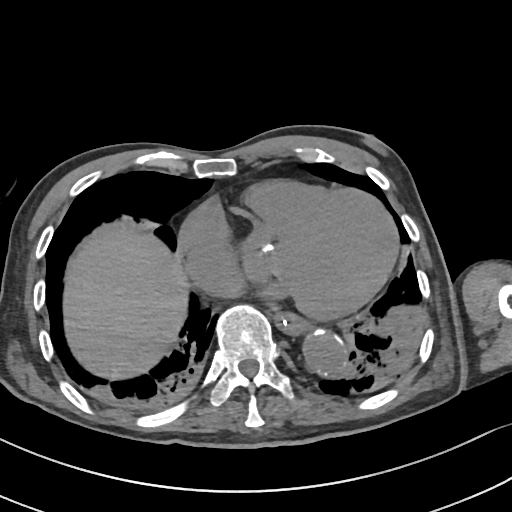
CT, abdomen/pelvis. axial view. abdomen soft-tissue window
Boxes: x1 y1 x2 y2 (pixel coords, space-separated). The annotated organs in this slice are: esophagus at 273 309 307 333, liver at 64 232 189 381, aorta at 302 328 344 374.